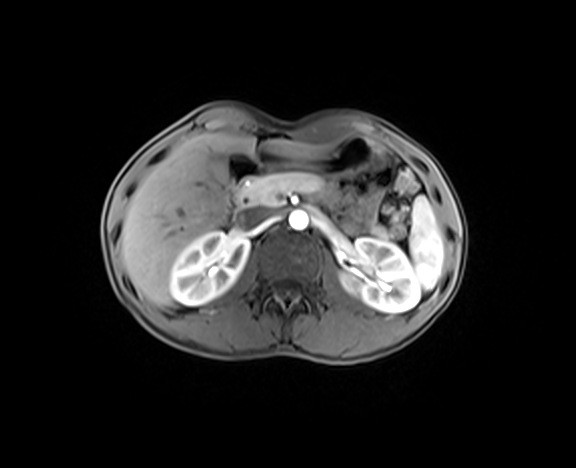
MRI, abdomen; Axial slice 36/72; percentile-normalized; 576x468 px; 13 organs annotated in this scan (that count is for the whole scan; organs this slice misses have no box)
{"organs":{"spleen":[409,196,443,289],"right kidney":[169,232,249,305],"left kidney":[340,238,420,312],"gall bladder":[213,158,223,173],"liver":[120,133,327,305],"stomach":[255,135,377,176],"aorta":[288,210,309,230],"inferior vena cava":[237,207,271,228],"pancreas":[242,172,389,239],"duodenum":[224,152,265,222]}}